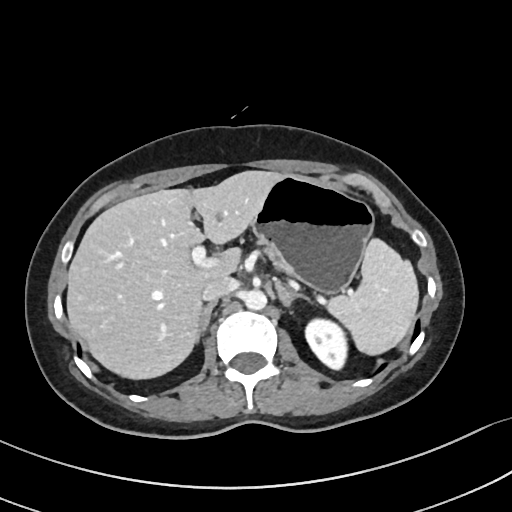 CT abdomen; axial view; 512x512 px; scan has 15 labeled organs (counted over the whole 3D scan, not this slice; an organ is boxed only where this slice passes through it)
Boxes are (x1, y1, x2, y2) in pixels.
spleen: (327, 237, 419, 355)
left kidney: (304, 316, 346, 371)
liver: (67, 170, 282, 379)
stomach: (251, 174, 373, 293)
aorta: (245, 289, 267, 309)
inferior vena cava: (202, 276, 235, 301)
pancreas: (262, 247, 289, 275)
right adrenal gland: (196, 302, 214, 339)
left adrenal gland: (274, 283, 311, 307)